Magnetic resonance imaging, abdomen; Axial slice 5/72; 576x468 px
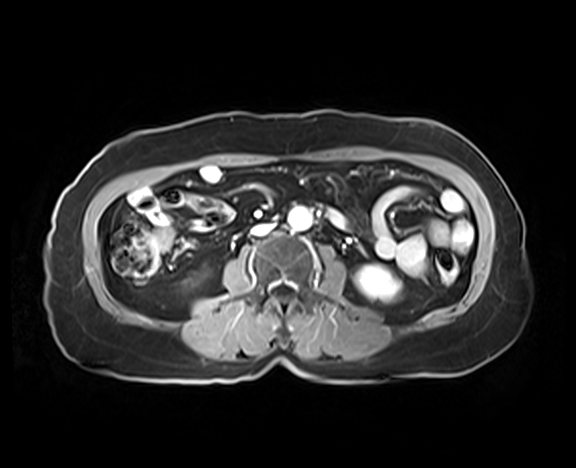 One row per box, in pixels: columns x1 and y1 give the top-left corner, x2 and y2 the bottom-right.
| organ | x1 | y1 | x2 | y2 |
|---|---|---|---|---|
| left kidney | 356 | 265 | 399 | 300 |
| aorta | 288 | 207 | 311 | 230 |
| inferior vena cava | 252 | 224 | 272 | 236 |